Computed tomography, abdomen · axial plane, index 52 · soft-tissue window · 512x512 px · SOMATOM Force scanner
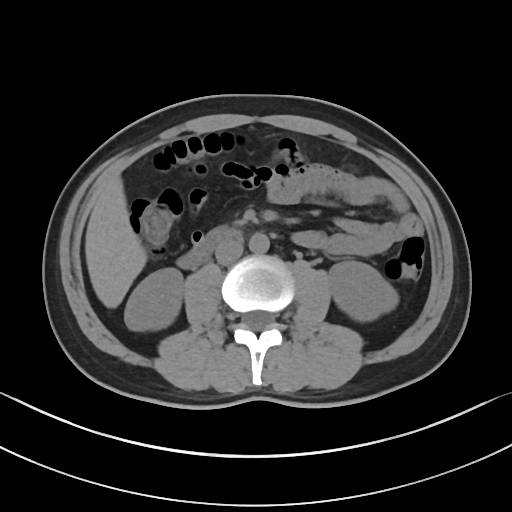

<organs><organ name="right kidney" x1="124" y1="268" x2="183" y2="331"/><organ name="left kidney" x1="329" y1="261" x2="398" y2="321"/><organ name="liver" x1="85" y1="175" x2="147" y2="308"/><organ name="aorta" x1="249" y1="232" x2="269" y2="253"/><organ name="inferior vena cava" x1="215" y1="239" x2="243" y2="264"/><organ name="duodenum" x1="177" y1="227" x2="241" y2="269"/></organs>